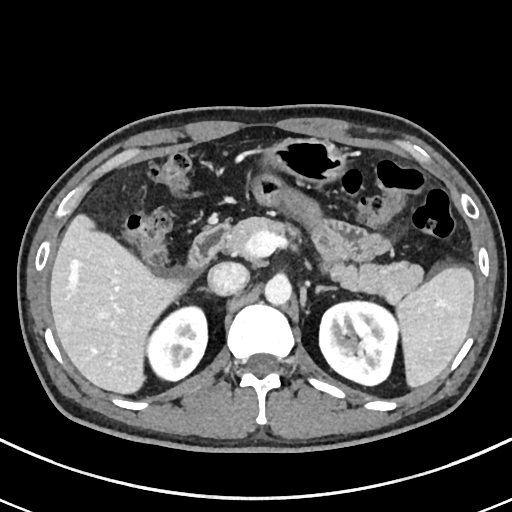

Abdominal CT · Axial slice 155/218 · abdomen soft-tissue window · 512x512 px
Bounding boxes as [x1, y1, x2, y2] in pixel coordinates.
Organ bounding boxes:
- liver: [50, 214, 187, 394]
- right kidney: [146, 306, 207, 380]
- aorta: [264, 275, 291, 305]
- right adrenal gland: [196, 287, 209, 291]
- left kidney: [319, 301, 398, 385]
- stomach: [260, 138, 345, 184]
- pancreas: [223, 217, 422, 304]
- spleen: [397, 267, 474, 387]
- left adrenal gland: [315, 285, 335, 292]
- inferior vena cava: [208, 262, 248, 295]
- duodenum: [187, 226, 224, 270]